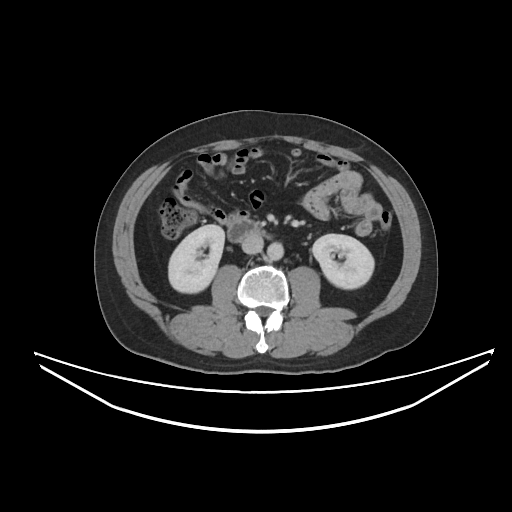
Computed tomography, abdomen · Axial slice 54/131 · abdomen soft-tissue window · 512x512 px
<organs><organ name="right kidney" x1="168" y1="224" x2="224" y2="293"/><organ name="left kidney" x1="312" y1="234" x2="374" y2="288"/><organ name="aorta" x1="267" y1="242" x2="283" y2="260"/><organ name="inferior vena cava" x1="241" y1="234" x2="263" y2="253"/><organ name="duodenum" x1="227" y1="220" x2="261" y2="242"/></organs>